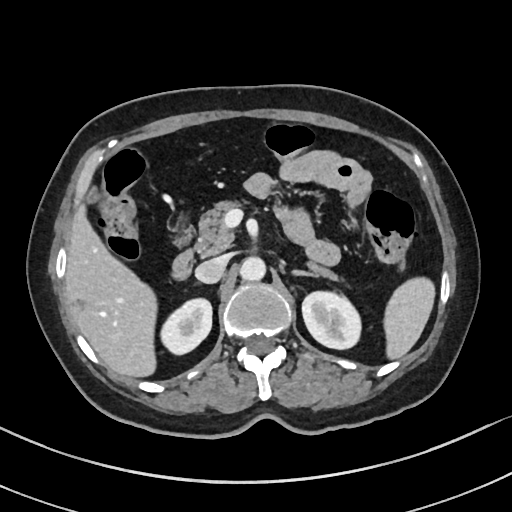
CT abdomen; axial view; abdomen soft-tissue window; SOMATOM Force scanner; scan has 14 labeled organs (that count is for the whole scan; organs this slice misses have no box)
Each box given as x1,y1,x2,y2.
Organ bounding boxes:
- spleen: x1=383, y1=277, x2=435, y2=359
- inferior vena cava: x1=195, y1=255, x2=228, y2=283
- left adrenal gland: x1=293, y1=270, x2=313, y2=276
- liver: x1=65, y1=206, x2=157, y2=377
- left kidney: x1=302, y1=291, x2=360, y2=349
- aorta: x1=239, y1=256, x2=265, y2=281
- right kidney: x1=160, y1=298, x2=212, y2=354
- duodenum: x1=170, y1=223, x2=193, y2=279
- gall bladder: x1=88, y1=189, x2=97, y2=203
- pancreas: x1=195, y1=201, x2=338, y2=280